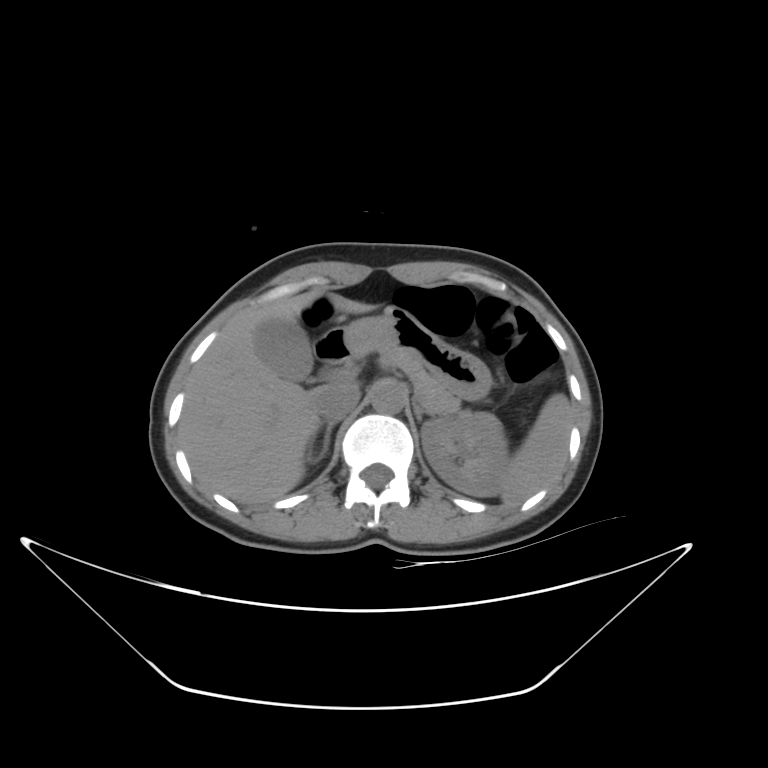 CT, abdomen/pelvis; axial plane, index 74; soft-tissue window; 43-year-old female patient; scan has 15 labeled organs (counted over the whole 3D scan, not this slice; an organ is boxed only where this slice passes through it)
Coordinates as <box>x1,y1,x2,y2</box> in pixels.
stomach: <box>344,306,491,399</box>
right adrenal gland: <box>307,422,335,463</box>
aorta: <box>371,383,406,413</box>
left adrenal gland: <box>414,404,436,423</box>
liver: <box>178,291,375,504</box>
duodenum: <box>313,329,353,364</box>
inferior vena cava: <box>315,384,360,421</box>
left kidney: <box>421,414,509,496</box>
pancreas: <box>381,351,472,417</box>
gall bladder: <box>252,316,312,382</box>
spleen: <box>500,394,572,504</box>